Magnetic resonance imaging, abdomen · axial view · 320x260 px · scan has 13 labeled organs (that count is for the whole scan; organs this slice misses have no box)
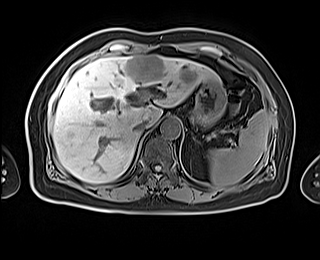
Bounding boxes in pixels, one row per box: x1, y1 is the top-left corner and x2, y2 the bottom-right.
| organ | x1 | y1 | x2 | y2 |
|---|---|---|---|---|
| spleen | 207 | 110 | 269 | 186 |
| aorta | 160 | 118 | 180 | 138 |
| inferior vena cava | 134 | 120 | 148 | 132 |
| stomach | 191 | 80 | 226 | 129 |
| liver | 52 | 54 | 218 | 183 |